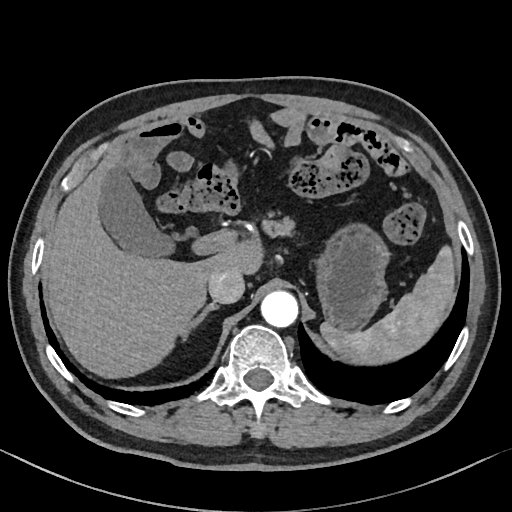

CT abdomen — axial view — scan has 15 labeled organs (counted over the whole 3D scan, not this slice; an organ is boxed only where this slice passes through it)
Bounding boxes in pixels, one row per box: x1, y1 is the top-left corner and x2, y2 the bottom-right.
| organ | x1 | y1 | x2 | y2 |
|---|---|---|---|---|
| right adrenal gland | 196 | 304 | 217 | 322 |
| pancreas | 261 | 217 | 294 | 238 |
| aorta | 260 | 291 | 298 | 327 |
| inferior vena cava | 208 | 270 | 244 | 304 |
| gall bladder | 100 | 164 | 169 | 254 |
| spleen | 321 | 246 | 455 | 362 |
| stomach | 314 | 224 | 389 | 331 |
| liver | 43 | 139 | 261 | 378 |